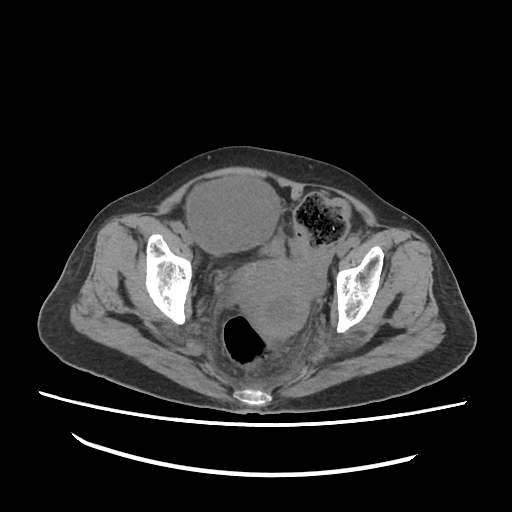 CT abdomen; Axial slice 23/100; 512x512 px; 75-year-old female patient
<organs><organ name="bladder" x1="262" y1="233" x2="284" y2="256"/><organ name="prostate/uterus" x1="234" y1="260" x2="314" y2="341"/></organs>